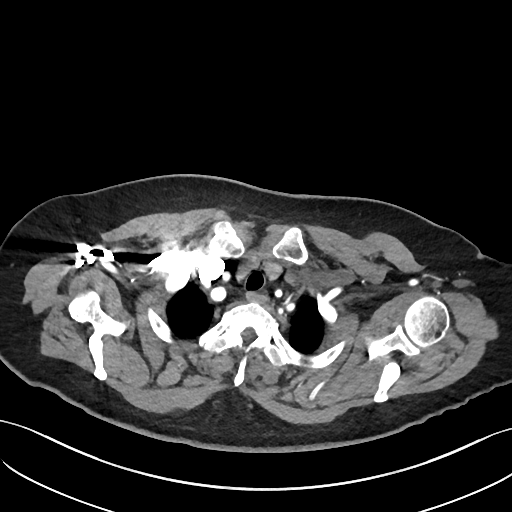 CT of the abdomen extending into the chest, slice through the chest — axial plane, index 264 — soft-tissue window, W/L 400/40
At this level of the chest this dataset labels only the esophagus and the aorta, and each is boxed only where it is labeled; the heart and lungs are never labeled.
Coordinates as <box>x1,y1,x2,y2</box> in pixels.
esophagus: <box>245,291,267,303</box>